CT abdomen; axial view; 768x768 px; 66-year-old female patient
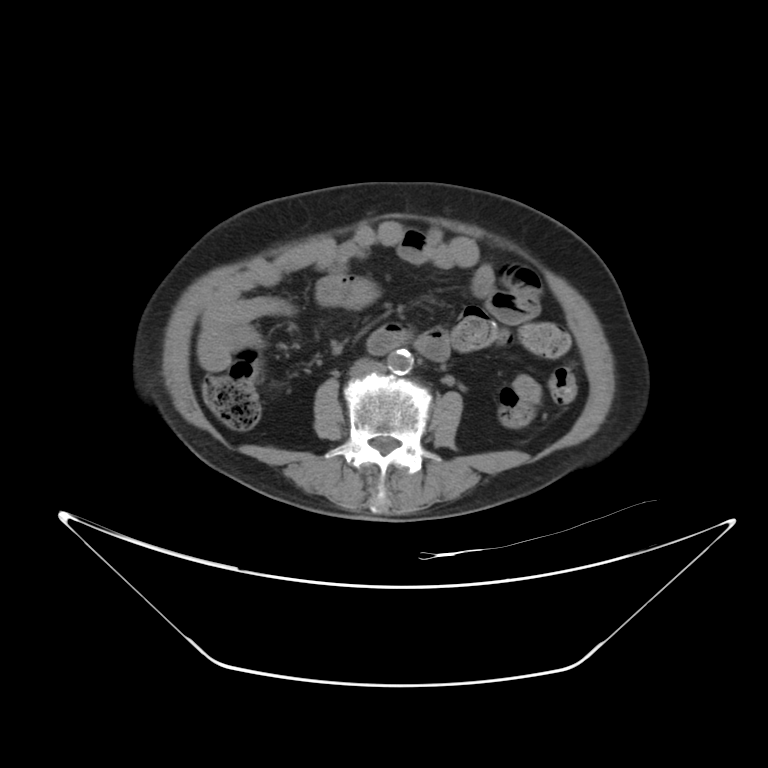 {"organs":{"aorta":[387,349,413,373],"duodenum":[368,327,408,352],"inferior vena cava":[350,359,385,375]}}